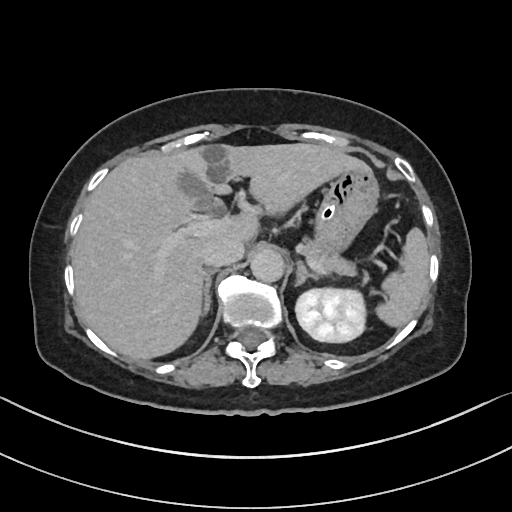

Abdominal CT; axial view; scan has 15 labeled organs (counted over the whole 3D scan, not this slice; an organ is boxed only where this slice passes through it)
Coordinates as <box>x1,y1,x2,y2</box> in pixels.
spleen: <box>375,228,428,327</box>
left kidney: <box>295,288,366,342</box>
gall bladder: <box>177,145,227,210</box>
liver: <box>72,143,365,359</box>
stomach: <box>313,166,379,252</box>
aorta: <box>250,248,283,282</box>
inferior vena cava: <box>203,237,244,266</box>
pancreas: <box>304,240,357,275</box>
right adrenal gland: <box>202,268,217,315</box>
left adrenal gland: <box>295,261,318,285</box>